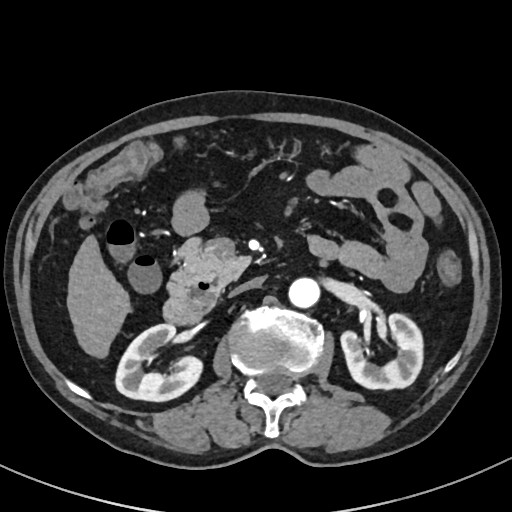

Computed tomography, abdomen — Axial slice 150/303 — 512x512 px — acquired on SOMATOM Force
{"organs":{"right kidney":[115,324,202,400],"left kidney":[339,312,425,388],"liver":[67,237,128,356],"aorta":[289,276,321,307],"inferior vena cava":[230,277,263,295],"pancreas":[169,240,249,297],"duodenum":[163,283,218,325]}}